CT abdomen; Axial slice 85/140; 512x512 px; 40-year-old male patient
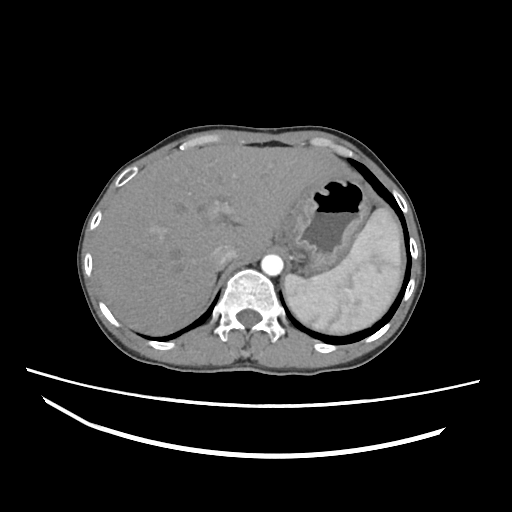
{"organs":{"spleen":[284,207,402,334],"liver":[93,143,339,335],"stomach":[274,174,371,274],"aorta":[261,254,283,275],"inferior vena cava":[212,245,236,268]}}